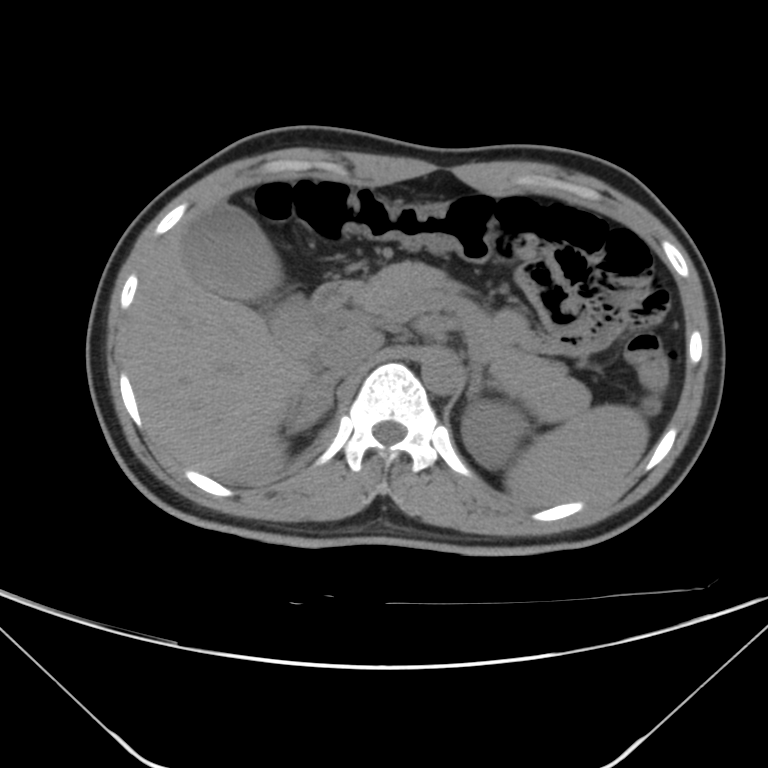 Abdominal CT · Axial slice 73/100 · abdomen soft-tissue window
<organs><organ name="spleen" x1="506" y1="404" x2="648" y2="505"/><organ name="left kidney" x1="460" y1="400" x2="528" y2="469"/><organ name="gall bladder" x1="184" y1="203" x2="317" y2="357"/><organ name="liver" x1="124" y1="199" x2="316" y2="484"/><organ name="aorta" x1="421" y1="350" x2="461" y2="394"/><organ name="inferior vena cava" x1="317" y1="325" x2="383" y2="380"/><organ name="pancreas" x1="353" y1="262" x2="590" y2="419"/><organ name="right adrenal gland" x1="284" y1="379" x2="336" y2="432"/><organ name="left adrenal gland" x1="467" y1="368" x2="497" y2="397"/><organ name="duodenum" x1="309" y1="280" x2="360" y2="330"/></organs>